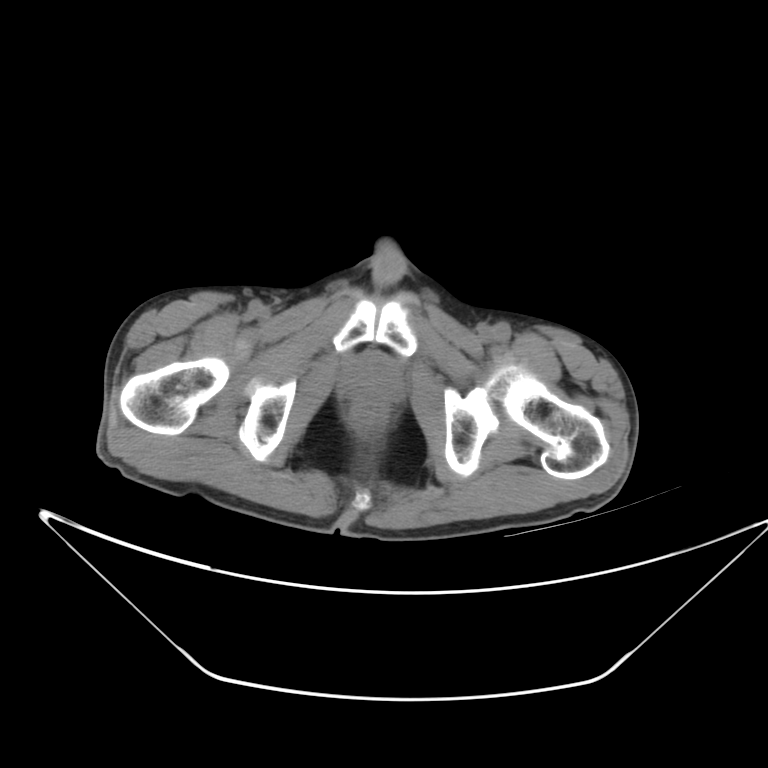
Computed tomography, abdomen. axial view. W/L 400/40 HU. 768x768 px. acquired on Brilliance16
<organs><organ name="prostate/uterus" x1="349" y1="362" x2="400" y2="401"/></organs>